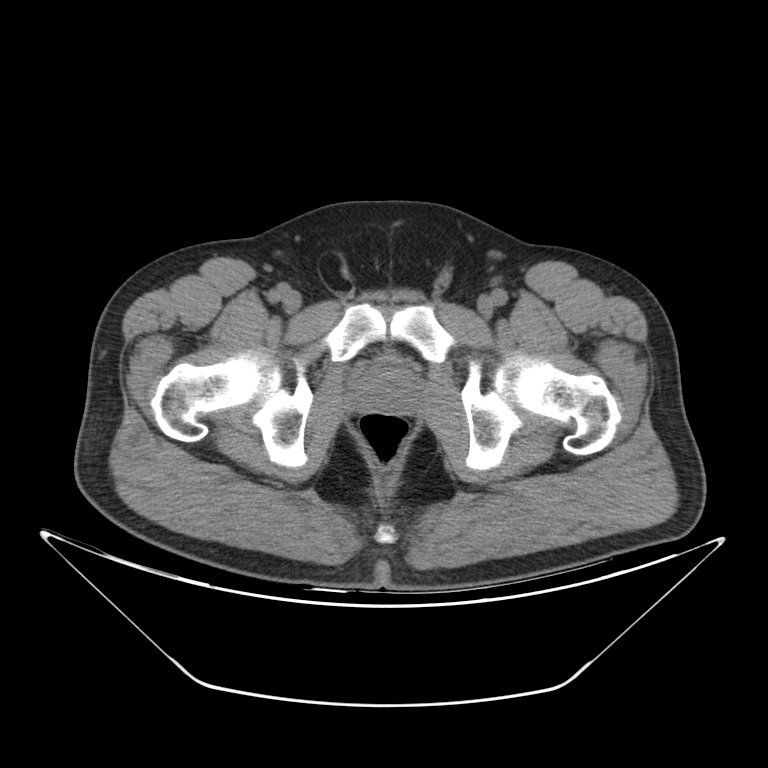 CT abdomen; axial plane, index 21; soft-tissue window (W 400 / L 40)
Boxes: x1 y1 x2 y2 (pixel coords, space-separated).
Organ bounding boxes:
- prostate/uterus: 355 359 420 413